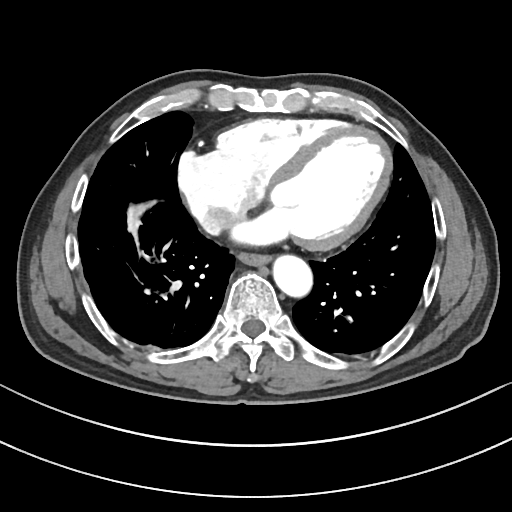 CT of the abdomen reaching into the lower chest, slice just above the liver and spleen · axial view · 512x512 px
The heart and lungs are never labeled in this dataset, so they have no box on this slice.
One row per box, in pixels: columns x1 and y1 give the top-left corner, x2 and y2 the bottom-right.
| organ | x1 | y1 | x2 | y2 |
|---|---|---|---|---|
| inferior vena cava | 201 | 209 | 243 | 234 |
| aorta | 272 | 253 | 311 | 295 |
| esophagus | 238 | 251 | 269 | 264 |